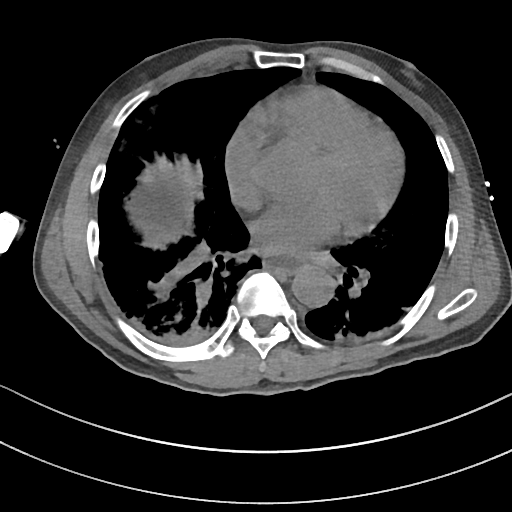

Lower-chest slice from an abdominal CT, just above the liver and spleen; axial view; 512x512 px
The heart and lungs are never labeled in this dataset, so they have no box on this slice.
{"organs":{"esophagus":[264,256,303,273],"aorta":[292,268,333,307]}}